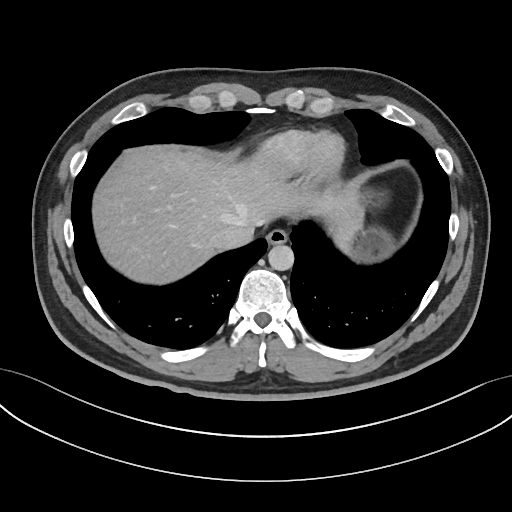

Computed tomography, abdomen · axial plane, index 230 · W/L 400/40 HU · SOMATOM Force scanner
Bounding boxes as [x1, y1, x2, y2] in pixel coordinates. 5 labeled organs on this slice — esophagus at [266, 228, 287, 244]; liver at [91, 147, 364, 282]; stomach at [348, 198, 390, 259]; aorta at [268, 244, 294, 270]; inferior vena cava at [210, 222, 254, 248].